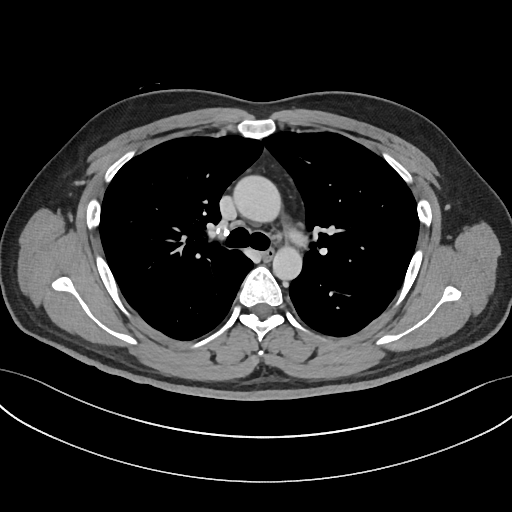

CT of the abdomen extending into the chest, slice through the chest — axial view — soft-tissue window, W/L 400/40 — SOMATOM Force scanner
At this level of the chest no structure but the esophagus and the aorta has a label in this dataset, and those two are boxed only where they are labeled.
Box edges are left/top/right/bottom in pixels.
Organ bounding boxes:
- esophagus: left=262, top=248, right=273, bottom=260
- aorta: left=233, top=175, right=281, bottom=222
- aorta: left=272, top=246, right=302, bottom=279